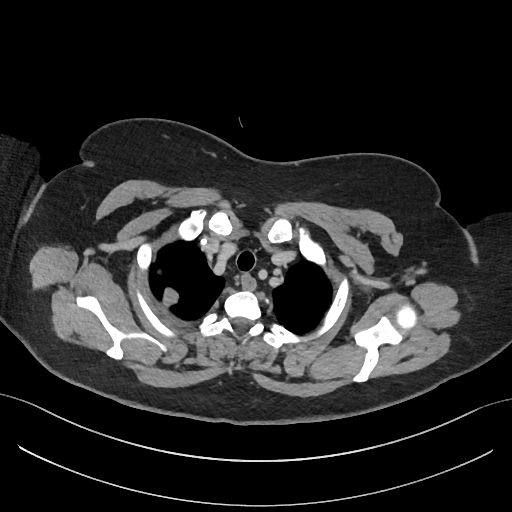
CT of the abdomen extending into the chest, slice through the chest — Axial slice 286/305 — W/L 400/40 HU — SOMATOM Force scanner
At this level of the chest no structure but the esophagus and the aorta has a label in this dataset, and those two are boxed only where they are labeled.
Boxes: x1 y1 x2 y2 (pixel coords, space-separated).
Organ bounding boxes:
- esophagus: 241 274 256 289